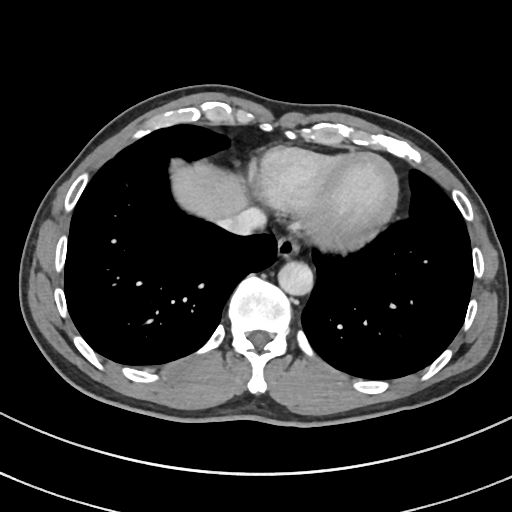
Computed tomography, abdomen — axial plane, index 174 — soft-tissue window (W 400 / L 40)
Bounding boxes as [x1, y1, x2, y2] in pixel coordinates. Labeled organs on this slice: liver at [171, 162, 247, 222], aorta at [278, 261, 313, 295], esophagus at [276, 235, 299, 258], inferior vena cava at [219, 208, 265, 235].